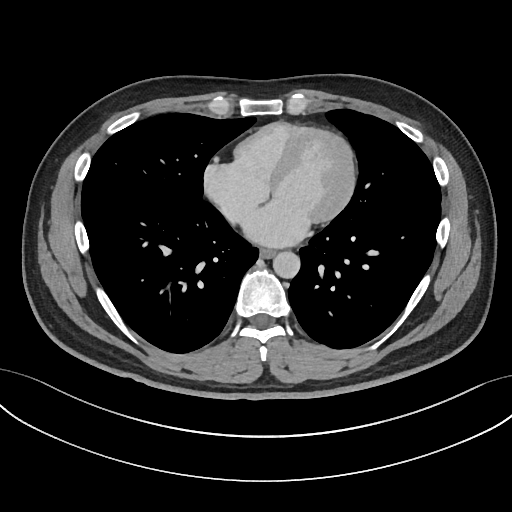
Lower-chest slice from an abdominal CT, just above the liver and spleen — axial view — W/L 400/40 HU
The heart and lungs are never labeled in this dataset, so they have no box on this slice.
<organs><organ name="aorta" x1="273" y1="252" x2="300" y2="278"/><organ name="esophagus" x1="259" y1="250" x2="275" y2="259"/></organs>